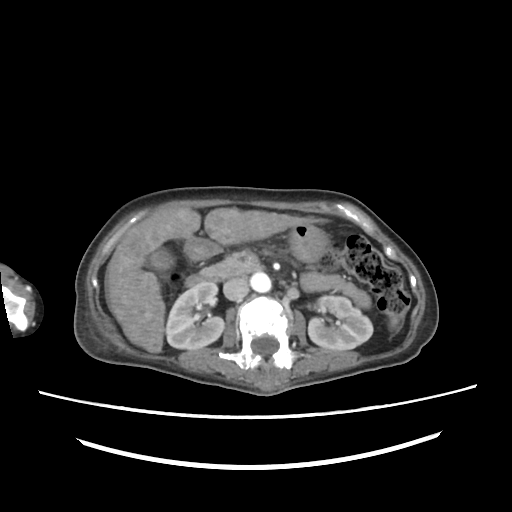

Abdominal CT — axial plane, index 54 — soft-tissue window
Coordinates as <box>x1,y1,x2,y2</box> in pixels. 9 labeled organs on this slice — liver at <box>106,207,324,352</box>; duodenum at <box>184,273,215,287</box>; pancreas at <box>201,251,260,279</box>; left kidney at <box>308,296,372,350</box>; stomach at <box>185,224,329,260</box>; aorta at <box>250,272,271,292</box>; right kidney at <box>166,282,224,349</box>; inferior vena cava at <box>223,278,248,300</box>; gall bladder at <box>148,250,173,269</box>.